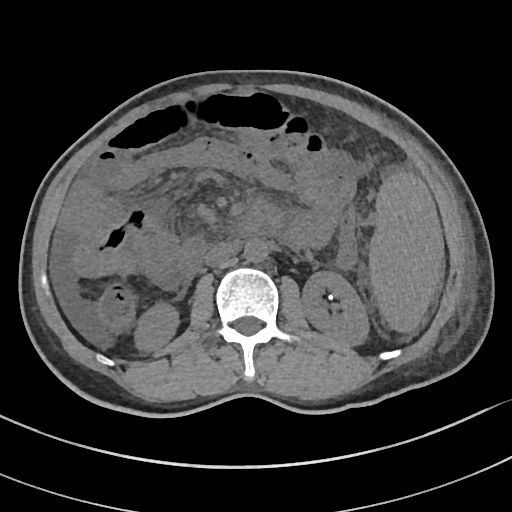
CT, abdomen/pelvis; axial view; soft-tissue window (W 400 / L 40)
<organs><organ name="spleen" x1="369" y1="172" x2="443" y2="330"/><organ name="right kidney" x1="137" y1="305" x2="177" y2="350"/><organ name="left kidney" x1="301" y1="271" x2="368" y2="344"/><organ name="aorta" x1="244" y1="238" x2="268" y2="262"/><organ name="inferior vena cava" x1="205" y1="242" x2="236" y2="265"/><organ name="duodenum" x1="179" y1="218" x2="260" y2="277"/></organs>